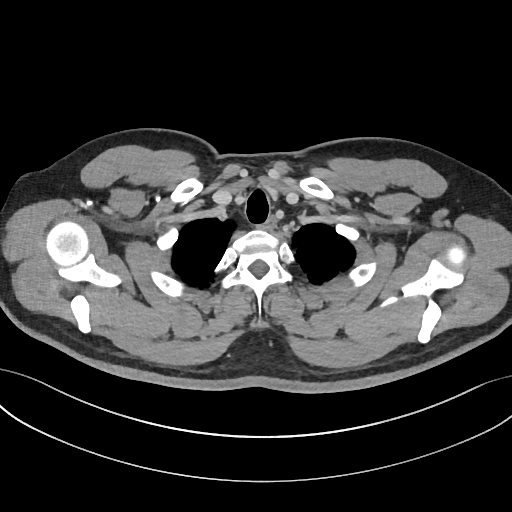 Abdominal CT reaching into the chest; this slice is in the chest; axial view
At this level of the chest this dataset labels only the esophagus and the aorta, and each is boxed only where it is labeled; the heart and lungs are never labeled.
Boxes: x1:y1:x2:y2 in pixels.
Organ bounding boxes:
- esophagus: 262:217:275:229